CT, abdomen/pelvis. Axial slice 79/87. 512x512 px. acquired on SOMATOM Force. scan has 15 labeled organs (a whole-scan count: organs this slice does not pass through have no box)
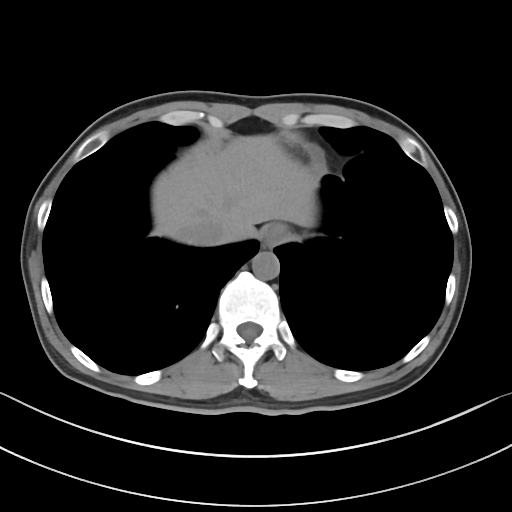 <organs><organ name="esophagus" x1="261" y1="223" x2="289" y2="246"/><organ name="liver" x1="152" y1="134" x2="318" y2="243"/><organ name="inferior vena cava" x1="188" y1="218" x2="226" y2="245"/><organ name="aorta" x1="252" y1="251" x2="279" y2="280"/></organs>